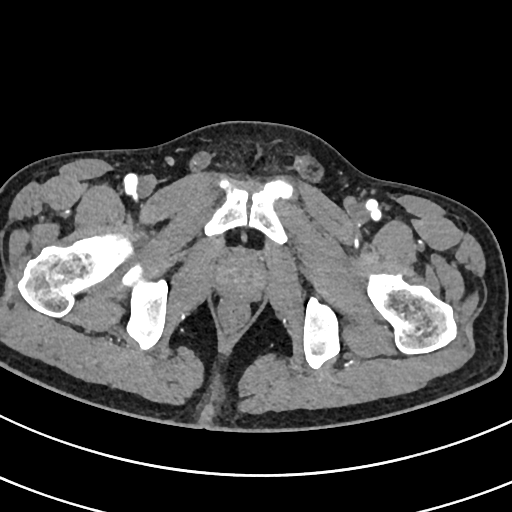

CT abdomen · Axial slice 12/302 · abdomen soft-tissue window
Boxes: x1 y1 x2 y2 (pixel coords, space-separated). 1 labeled organ on this slice — prostate/uterus at 217 256 263 298.